Abdominal CT; Axial slice 180/345; abdomen soft-tissue window; 512x512 px
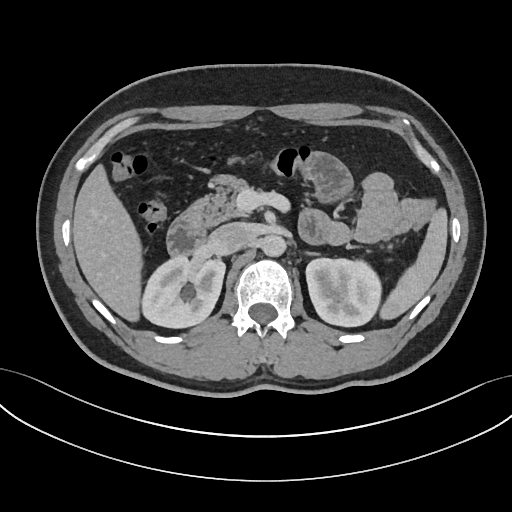 Organ boxes in pixel coordinates; each row gives the top-left (x1, y1) and bottom-right (x2, y2) corners.
| organ | x1 | y1 | x2 | y2 |
|---|---|---|---|---|
| spleen | 379 | 209 | 446 | 318 |
| right kidney | 140 | 256 | 224 | 327 |
| left kidney | 306 | 257 | 380 | 326 |
| liver | 73 | 167 | 141 | 321 |
| aorta | 261 | 234 | 286 | 256 |
| inferior vena cava | 209 | 222 | 255 | 254 |
| pancreas | 193 | 175 | 250 | 226 |
| left adrenal gland | 305 | 252 | 318 | 255 |
| duodenum | 167 | 207 | 208 | 255 |